CT, abdomen/pelvis — axial view
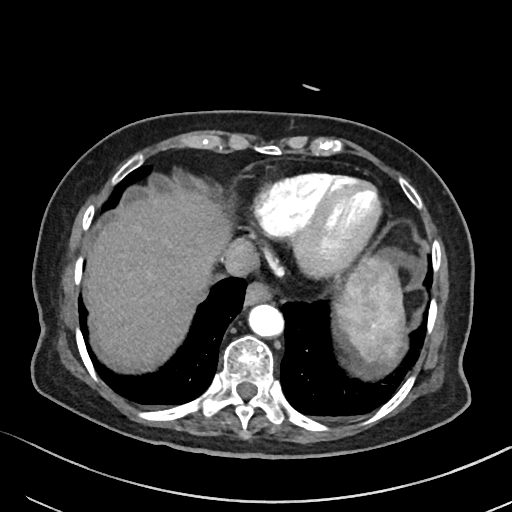
{"organs":{"spleen":[333,256,407,371],"esophagus":[246,283,272,303],"liver":[86,191,395,369],"aorta":[247,303,283,336],"inferior vena cava":[220,239,258,276]}}